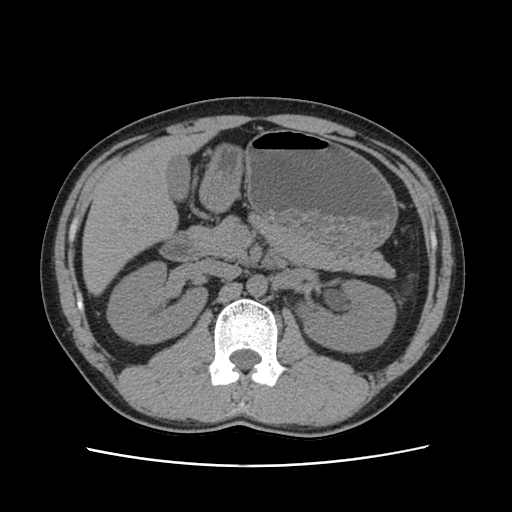 Abdominal CT. axial view. abdomen soft-tissue window. 512x512 px
{"organs":{"gall bladder":[166,158,191,201],"inferior vena cava":[202,260,240,278],"left kidney":[293,279,394,353],"aorta":[247,275,267,298],"duodenum":[161,231,200,262],"stomach":[199,129,398,253],"pancreas":[189,212,393,279],"right kidney":[108,263,207,343],"liver":[82,130,217,293]}}